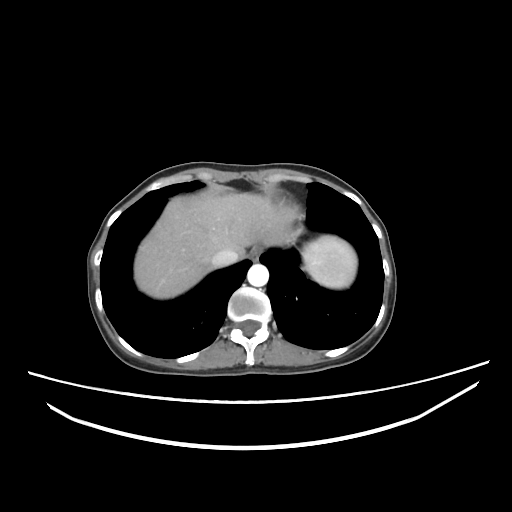
CT, abdomen/pelvis. Axial slice 67/114. abdomen soft-tissue window. 512x512 px
Boxes: x1 y1 x2 y2 (pixel coords, space-separated).
spleen: 302 236 357 288
liver: 134 191 295 298
inferior vena cava: 212 250 239 267
aorta: 247 264 269 286
esophagus: 248 246 262 261